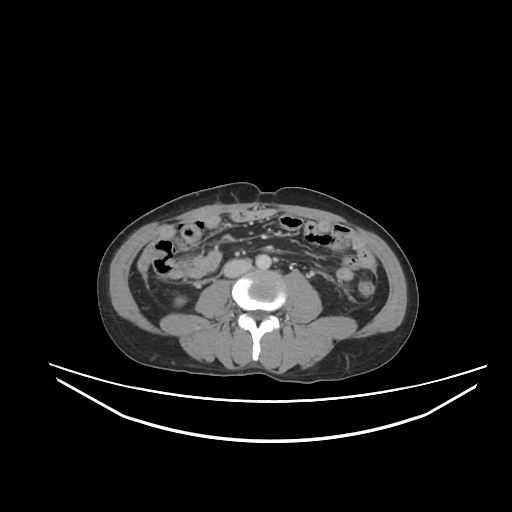
CT abdomen; axial view; W/L 400/40 HU; 512x512 px; 47-year-old male patient; 15 organs annotated in this scan (that count is for the whole scan; organs this slice misses have no box)
{"organs":{"right kidney":[175,298,185,305],"aorta":[255,254,271,269],"inferior vena cava":[223,259,251,277]}}